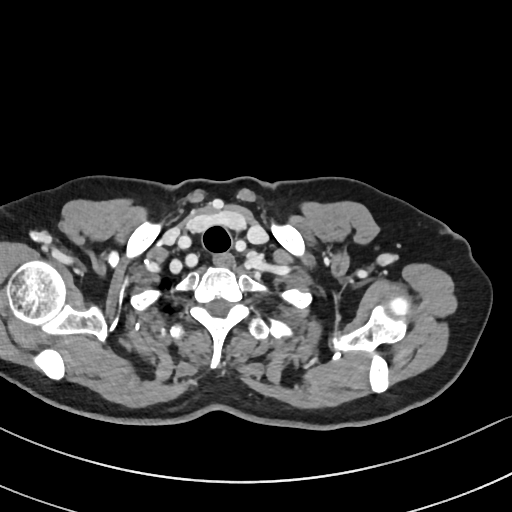
Chest-level slice from an abdominal CT that extends up into the chest; axial view; 512x512 px; 14 organs annotated in this scan (a whole-scan count: organs this slice does not pass through have no box)
On a slice this high in the chest, this dataset labels only the esophagus and the aorta, and each is boxed only where it is labeled; the heart, lungs and other chest structures are not labeled. Box edges are left/top/right/bottom in pixels. 1 labeled organ on this slice — esophagus at left=214, top=253, right=234, bottom=264.